CT, abdomen/pelvis — Axial slice 78/103 — 768x768 px — 15 organs annotated in this scan (a whole-scan count: organs this slice does not pass through have no box)
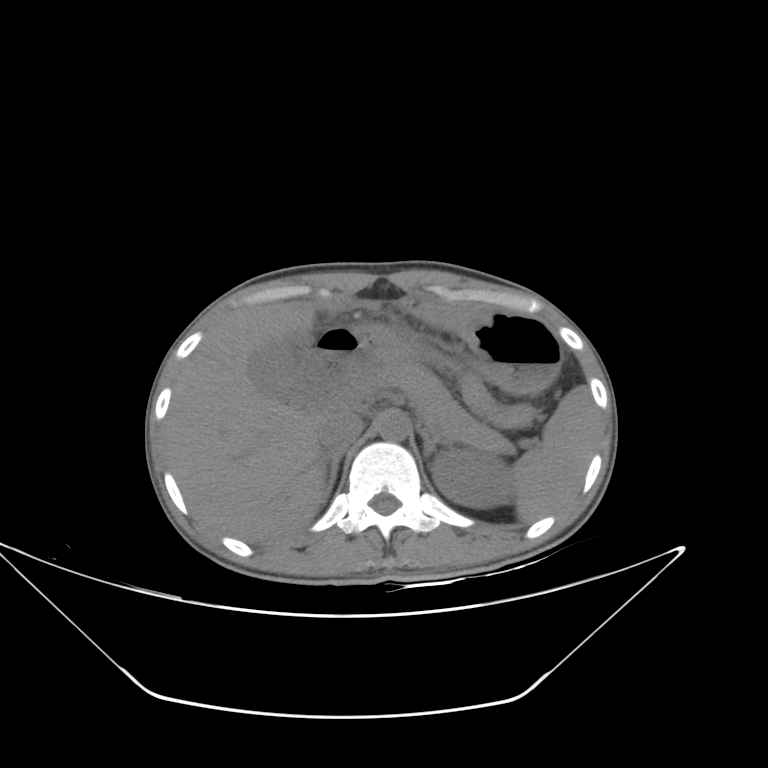

Boxes are (x1, y1, x2, y2) in pixels.
pancreas: (359, 352, 512, 452)
liver: (164, 301, 328, 542)
stomach: (316, 300, 561, 387)
inferior vena cava: (318, 412, 363, 452)
aorta: (377, 411, 409, 441)
left kidney: (430, 449, 516, 508)
gall bladder: (251, 343, 304, 397)
duodenum: (298, 349, 346, 404)
spleen: (512, 385, 599, 523)
right adrenal gland: (319, 451, 344, 497)
left adrenal gland: (421, 430, 450, 460)